Abdominal CT; axial plane, index 43; Aquilion ONE scanner
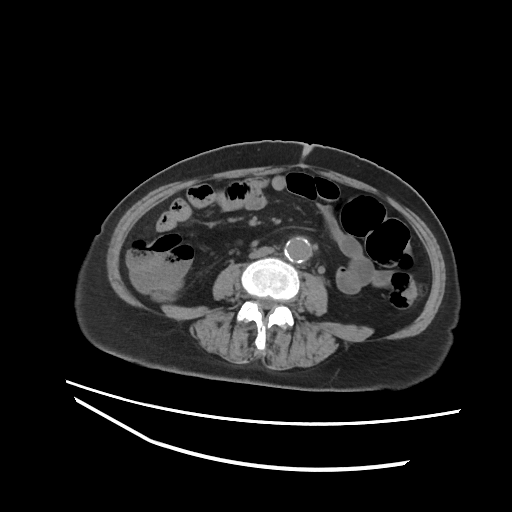
Boxes: x1 y1 x2 y2 (pixel coords, space-separated).
Organ bounding boxes:
- aorta: 284 237 311 262
- inferior vena cava: 249 246 274 258